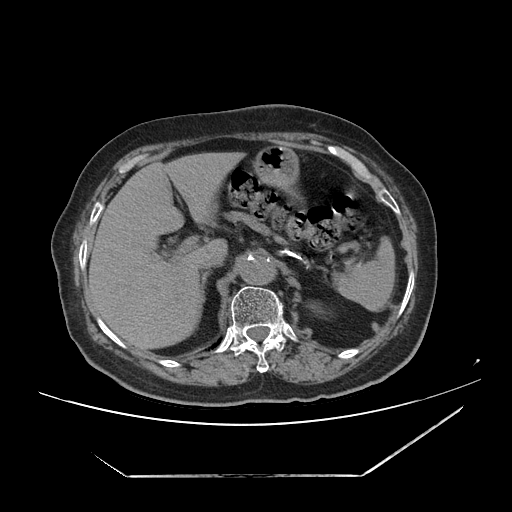

Computed tomography, abdomen. Axial slice 128/163
Boxes are (x1, y1, x2, y2) in pixels. 7 labeled organs on this slice — spleen at (333, 241, 395, 311); liver at (88, 151, 248, 351); stomach at (254, 146, 306, 209); aorta at (240, 255, 278, 285); inferior vena cava at (199, 255, 224, 270); pancreas at (228, 212, 252, 224); right adrenal gland at (201, 271, 210, 300).